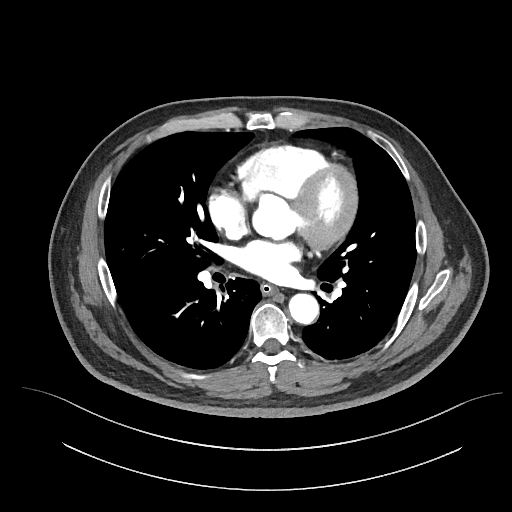
CT of the abdomen reaching into the lower chest, slice just above the liver and spleen — axial view — 15 organs annotated in this scan (a whole-scan count: organs this slice does not pass through have no box)
Of the structures in the chest, this dataset labels only the esophagus, the aorta and the inferior vena cava; the heart and lungs have no label.
Each box given as x1,y1,x2,y2.
Organ bounding boxes:
- aorta: x1=289, y1=293, x2=318, y2=324
- esophagus: x1=261, y1=284, x2=277, y2=295